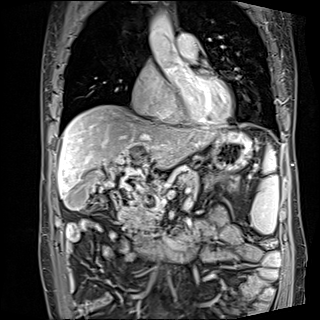
Abdominal MR · coronal view · 1st–99th percentile window
{"organs":{"pancreas":[118,170,199,240],"spleen":[251,148,278,233],"stomach":[211,131,252,170],"liver":[58,104,217,197],"gall bladder":[65,183,87,211],"aorta":[148,14,175,51],"duodenum":[111,190,193,261]}}